Abdominal CT — axial view — W/L 400/40 HU — 512x512 px — scan has 14 labeled organs (a whole-scan count: organs this slice does not pass through have no box)
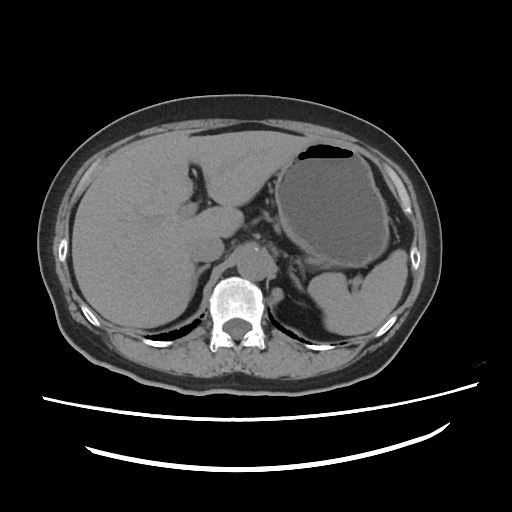
Box edges are left/top/right/bottom in pixels.
stomach: left=274, top=140, right=389, bottom=267
aorta: left=237, top=249, right=270, bottom=280
spleen: left=308, top=249, right=407, bottom=335
inferior vena cava: left=188, top=236, right=223, bottom=261
liver: left=72, top=131, right=317, bottom=328
right adrenal gland: left=191, top=264, right=210, bottom=297
left adrenal gland: left=289, top=268, right=303, bottom=290